Lower-chest slice from an abdominal CT, just above the liver and spleen; axial plane, index 92; soft-tissue window, W/L 400/40; 512x512 px; scan has 15 labeled organs (that count is for the whole scan; organs this slice misses have no box)
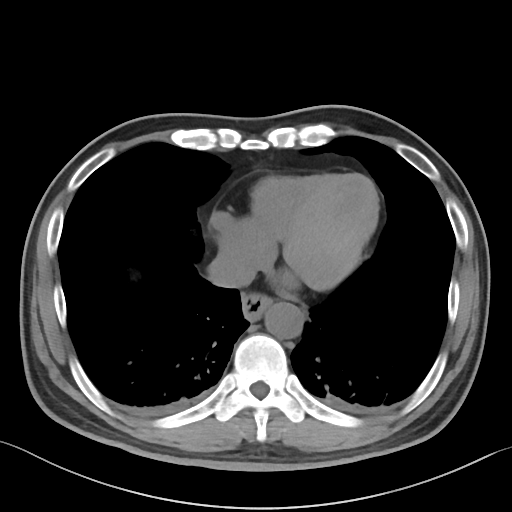 No part of the heart or lungs is labeled in this dataset, so neither has a box here.
One row per box, in pixels: columns x1 and y1 give the top-left corner, x2 and y2 the bottom-right.
| organ | x1 | y1 | x2 | y2 |
|---|---|---|---|---|
| esophagus | 241 | 293 | 272 | 321 |
| aorta | 264 | 302 | 303 | 338 |
| inferior vena cava | 207 | 254 | 253 | 287 |